Computed tomography, abdomen — axial view — soft-tissue window — 768x768 px — 56-year-old female patient
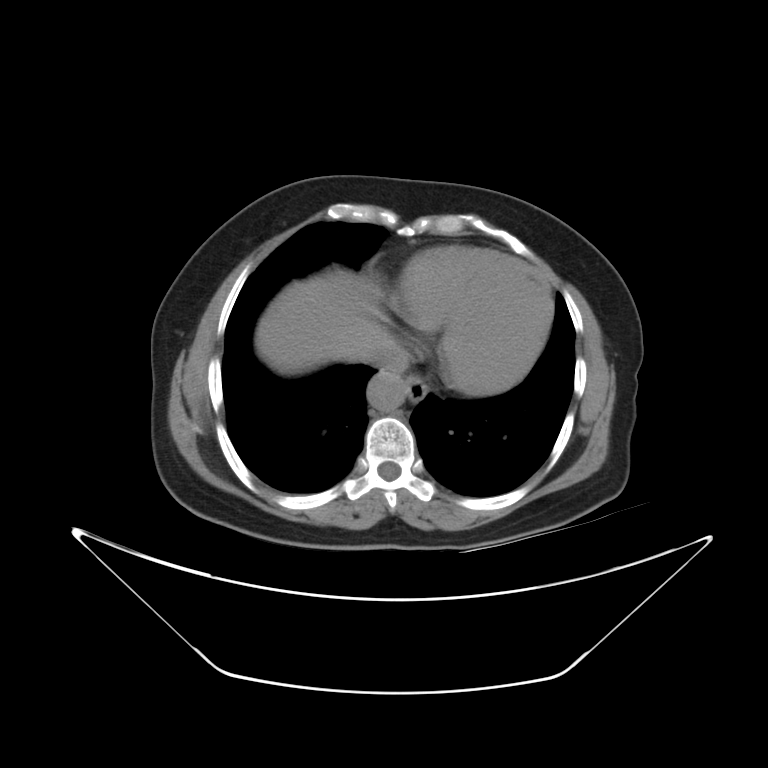 One row per box, in pixels: columns x1 and y1 give the top-left corner, x2 and y2 the bottom-right.
| organ | x1 | y1 | x2 | y2 |
|---|---|---|---|---|
| aorta | 368 | 367 | 406 | 410 |
| esophagus | 405 | 377 | 427 | 401 |
| liver | 255 | 271 | 392 | 374 |
| inferior vena cava | 366 | 346 | 409 | 365 |